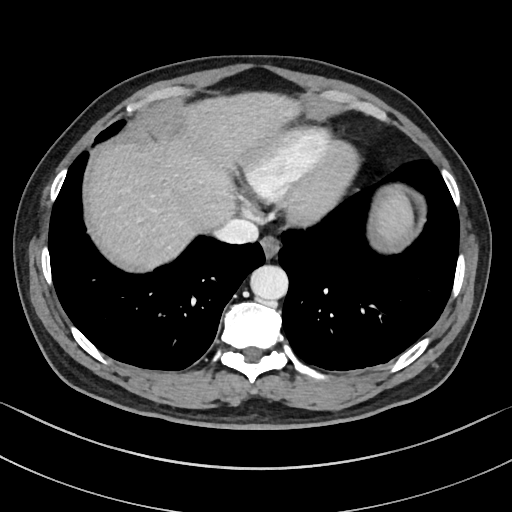
CT, abdomen/pelvis · axial view · acquired on SOMATOM Force
Bounding boxes in pixels, one row per box: x1, y1 is the top-left corner and x2, y2 the bottom-right.
| organ | x1 | y1 | x2 | y2 |
|---|---|---|---|---|
| esophagus | 260 | 236 | 279 | 258 |
| liver | 88 | 92 | 412 | 267 |
| aorta | 250 | 265 | 288 | 300 |
| inferior vena cava | 215 | 218 | 258 | 244 |